CT, abdomen/pelvis — axial plane, index 84 — abdomen soft-tissue window — scan has 14 labeled organs (a whole-scan count: organs this slice does not pass through have no box)
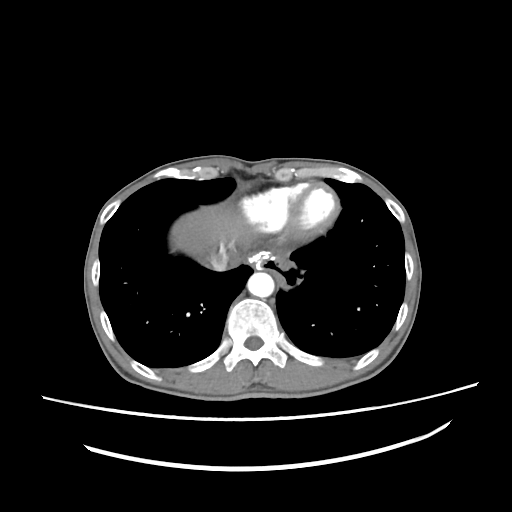
Boxes: x1 y1 x2 y2 (pixel coords, space-separated).
liver: 170 203 251 259
aorta: 247 272 274 297
inferior vena cava: 204 248 230 271